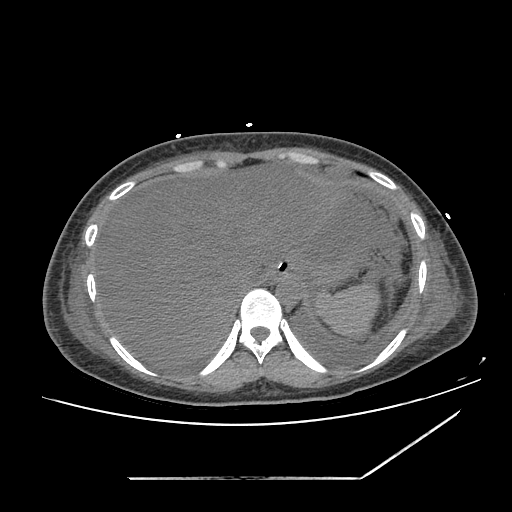
CT abdomen — Axial slice 155/191 — soft-tissue window
{"organs":{"spleen":[314,283,380,338],"esophagus":[269,268,281,278],"liver":[94,164,353,367],"stomach":[276,252,351,304],"aorta":[275,276,302,303],"inferior vena cava":[235,272,257,295]}}